CT, abdomen/pelvis. axial view. 512x512 px
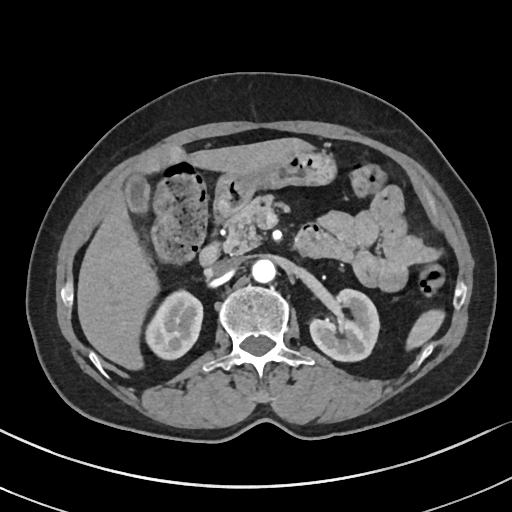 Coordinates as <box>x1,y1,x2,y2</box> in pixels.
spleen: <box>406,309,444,349</box>
right kidney: <box>145,290,203,359</box>
left kidney: <box>310,289,379,361</box>
gall bladder: <box>125,174,149,211</box>
liver: <box>77,137,313,370</box>
stomach: <box>216,152,336,201</box>
aorta: <box>251,258,275,282</box>
inferior vena cava: <box>211,258,241,274</box>
pancreas: <box>224,195,277,253</box>
duodenum: <box>199,192,351,265</box>